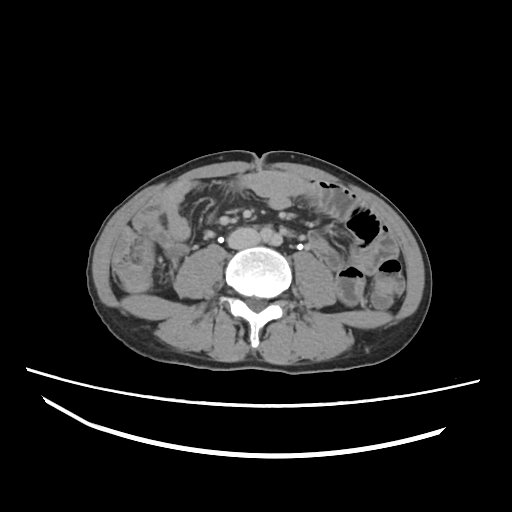 CT, abdomen/pelvis. axial plane, index 54. 512x512 px. 40-year-old male patient. Aquilion ONE scanner
Boxes: x1:y1:x2:y2 in pixels.
aorta: 261:229:282:245
inferior vena cava: 228:227:259:249